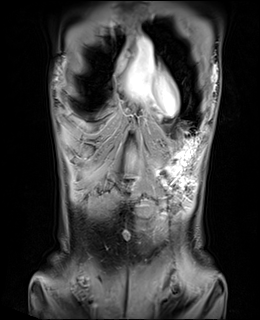
MRI, abdomen. Coronal slice 103/144. 13 organs annotated in this scan (a whole-scan count: organs this slice does not pass through have no box)
Bounding boxes in pixels, one row per box: x1, y1 is the top-left corner and x2, y2 the bottom-right.
| organ | x1 | y1 | x2 | y2 |
|---|---|---|---|---|
| liver | 81 | 121 | 163 | 176 |
| stomach | 154 | 139 | 198 | 189 |
| duodenum | 118 | 177 | 137 | 186 |